CT, abdomen/pelvis. axial plane, index 87. abdomen soft-tissue window
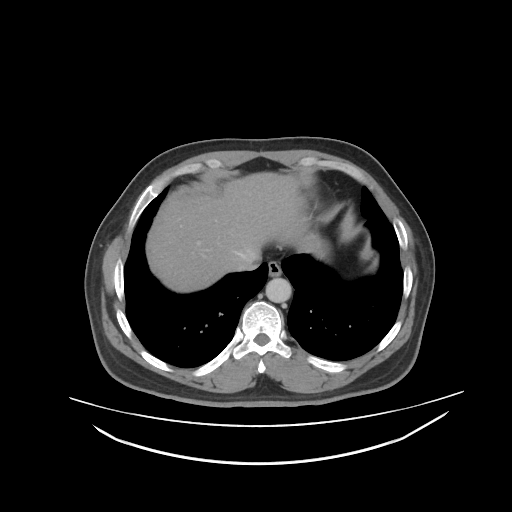

Organ boxes in pixel coordinates; each row gives the top-left (x1, y1) and bottom-right (x2, y2) corners.
| organ | x1 | y1 | x2 | y2 |
|---|---|---|---|---|
| esophagus | 267 | 261 | 281 | 275 |
| liver | 146 | 171 | 324 | 293 |
| aorta | 264 | 278 | 291 | 303 |
| inferior vena cava | 233 | 256 | 261 | 271 |